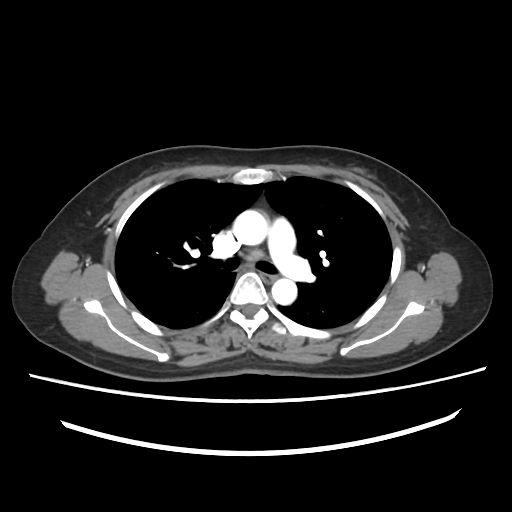
Abdominal CT reaching into the chest; this slice is in the chest. axial view. W/L 400/40 HU. 512x512 px
At this level of the chest no structure but the esophagus and the aorta has a label in this dataset, and those two are boxed only where they are labeled.
<organs><organ name="esophagus" x1="261" y1="272" x2="278" y2="283"/><organ name="aorta" x1="233" y1="210" x2="268" y2="245"/><organ name="aorta" x1="271" y1="279" x2="297" y2="304"/></organs>